CT abdomen; axial view
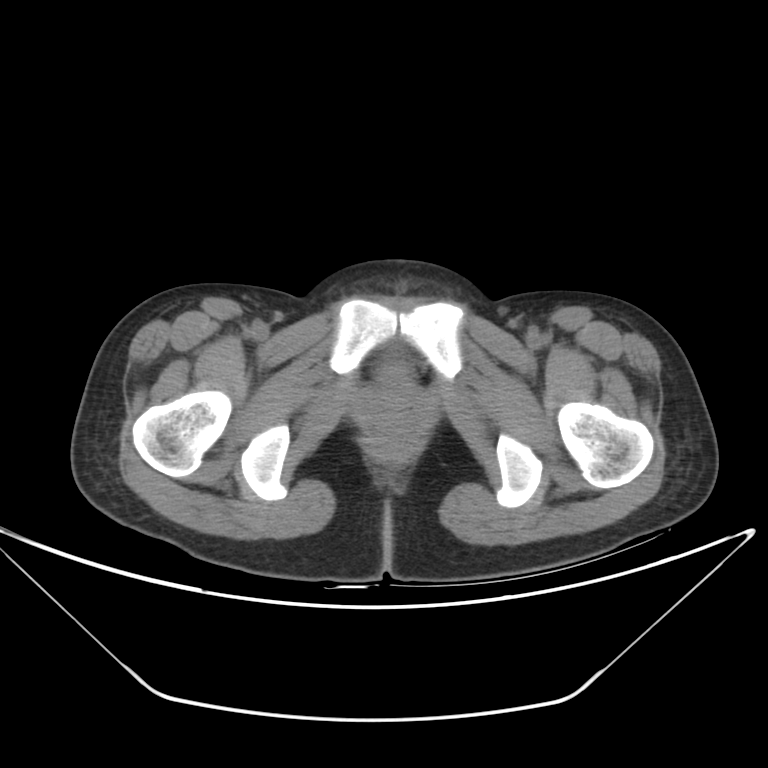
Boxes: x1:y1:x2:y2 in pixels. Labeled organs on this slice: bladder at 376:360:409:387.